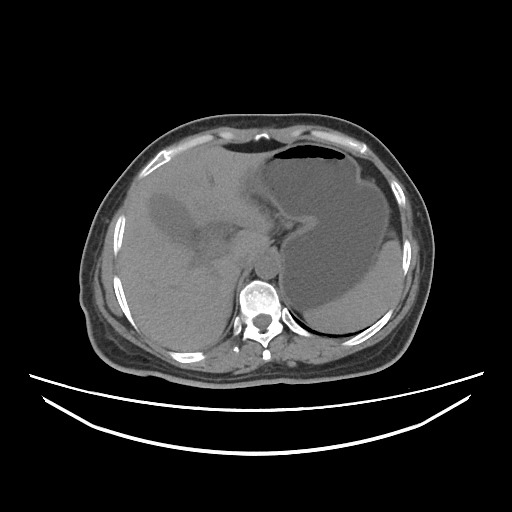 CT, abdomen/pelvis — axial view — 49-year-old female patient
Box edges are left/top/right/bottom in pixels.
aorta: left=255, top=254, right=278, bottom=279
inferior vena cava: left=238, top=251, right=258, bottom=269
spleen: left=303, top=232, right=401, bottom=333
gall bladder: left=150, top=195, right=195, bottom=246
stomach: left=247, top=143, right=389, bottom=312
liver: left=119, top=145, right=273, bottom=351